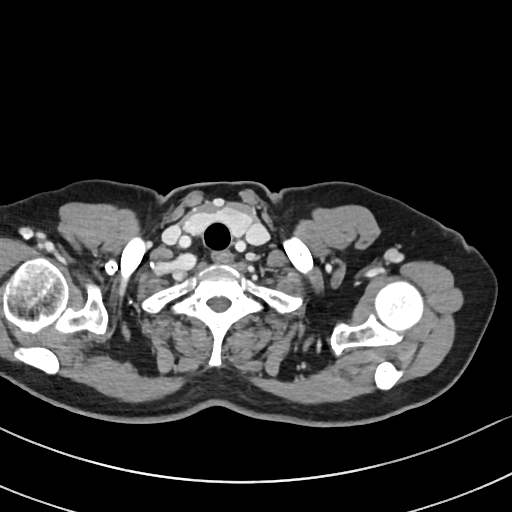

Chest-level CT slice, above the liver and spleen. axial view. soft-tissue window (W 400 / L 40)
On a slice this high in the chest, this dataset labels only the esophagus and the aorta, and each is boxed only where it is labeled; the heart, lungs and other chest structures are not labeled.
{"organs":{"esophagus":[211,252,231,261]}}